Abdominal CT reaching into the chest; this slice is in the chest · axial view · soft-tissue window · scan has 15 labeled organs (counted over the whole 3D scan, not this slice; an organ is boxed only where this slice passes through it)
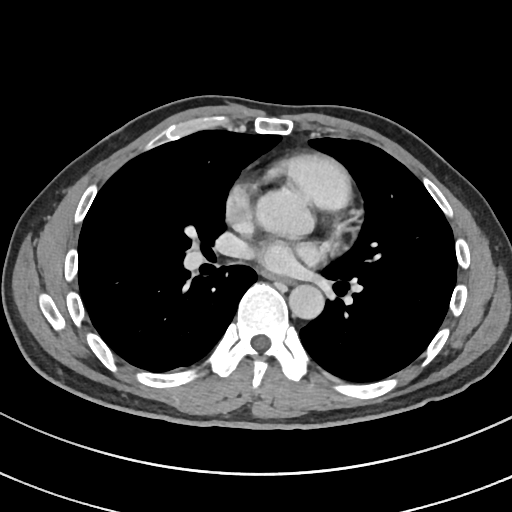

At this level of the chest this dataset labels only the esophagus and the aorta, and each is boxed only where it is labeled; the heart and lungs are never labeled.
<organs><organ name="aorta" x1="289" y1="284" x2="323" y2="319"/><organ name="esophagus" x1="276" y1="277" x2="289" y2="282"/></organs>